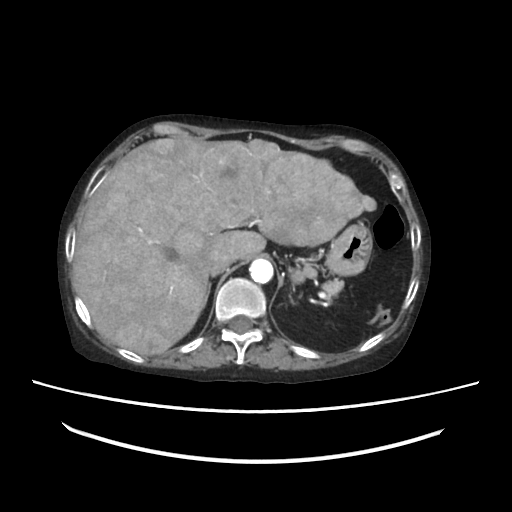
Computed tomography, abdomen; axial view; W/L 400/40 HU
Each box given as x1,y1,x2,y2. 7 labeled organs on this slice — liver at x1=72, y1=138, x2=376, y2=354; stomach at x1=324, y1=222, x2=372, y2=274; aorta at x1=249, y1=259, x2=273, y2=283; inferior vena cava at x1=207, y1=260, x2=229, y2=276; pancreas at x1=321, y1=279, x2=344, y2=293; right adrenal gland at x1=201, y1=283, x2=212, y2=310; left adrenal gland at x1=289, y1=298, x2=294, y2=302.